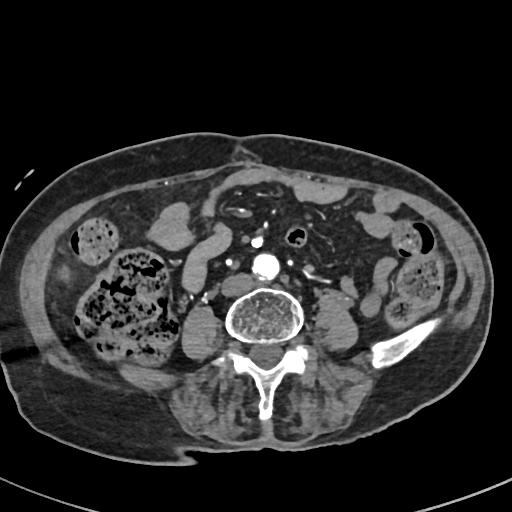

CT abdomen · axial plane, index 98 · soft-tissue window (W 400 / L 40)
{"organs":{"aorta":[252,253,279,280],"inferior vena cava":[221,273,254,296]}}